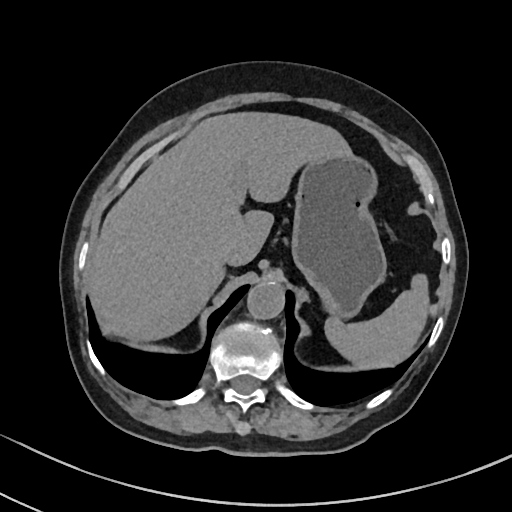
Computed tomography, abdomen; axial view; acquired on SOMATOM Force
Boxes: x1:y1:x2:y2 in pixels.
Organ bounding boxes:
- spleen: 325:273:429:369
- liver: 87:112:351:341
- stomach: 290:154:386:318
- aorta: 247:283:284:319
- inferior vena cava: 221:245:240:265